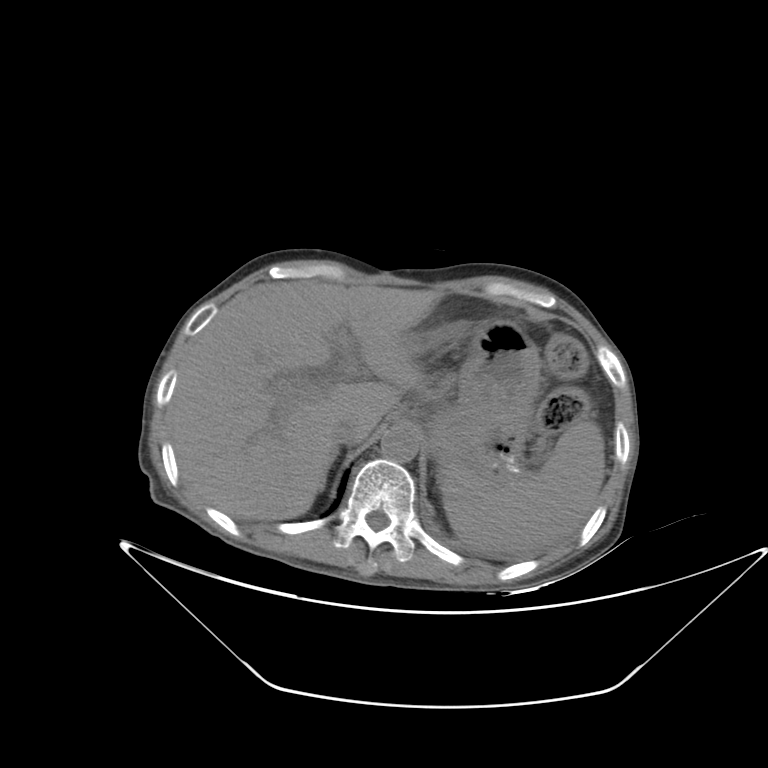

Abdominal CT; axial plane, index 78; soft-tissue window; 56-year-old male patient; scan has 14 labeled organs (counted over the whole 3D scan, not this slice; an organ is boxed only where this slice passes through it)
Coordinates as <box>x1,y1,x2,y2</box> in pixels.
Organ bounding boxes:
- liver: <box>167,280,441,518</box>
- stomach: <box>416,319,540,476</box>
- aorta: <box>381,427,419,462</box>
- inferior vena cava: <box>329,416,362,444</box>
- spleen: <box>441,420,604,554</box>